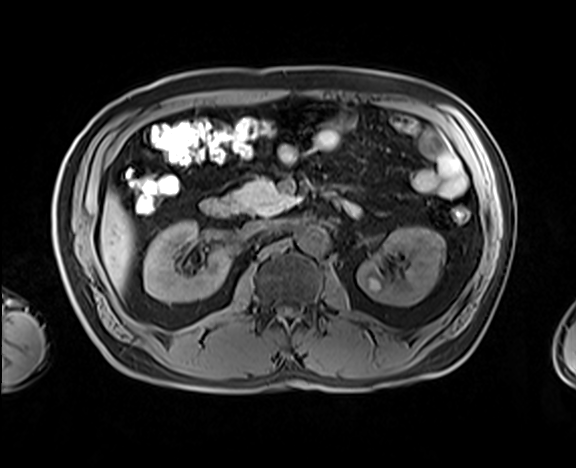

Abdominal MRI — Axial slice 25/72
Each box given as x1,y1,x2,y2. The annotated organs in this slice are: left kidney at x1=357, y1=227, x2=444, y2=306, aorta at x1=296, y1=225, x2=328, y2=254, duodenum at x1=201, y1=199, x2=238, y2=216, inferior vena cava at x1=246, y1=221, x2=284, y2=233, pancreas at x1=230, y1=178, x2=295, y2=215, right kidney at x1=143, y1=221, x2=230, y2=302, liver at x1=100, y1=192, x2=133, y2=290.